CT abdomen · Axial slice 189/353 · acquired on SOMATOM Force · scan has 15 labeled organs (counted over the whole 3D scan, not this slice; an organ is boxed only where this slice passes through it)
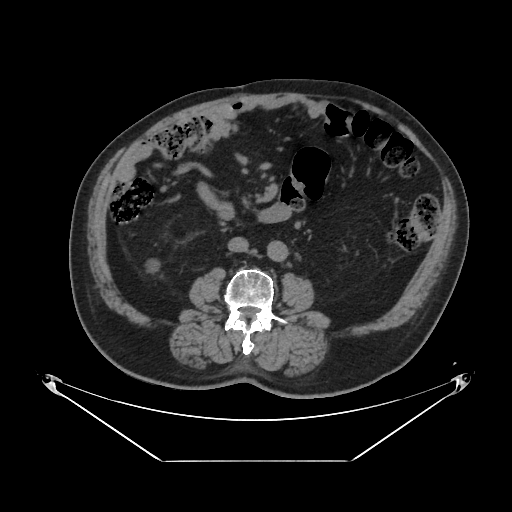
Boxes are (x1, y1, x2, y2) in pixels.
duodenum: (218, 204, 231, 216)
aorta: (266, 240, 287, 260)
inferior vena cava: (228, 236, 249, 251)